CT abdomen. Axial slice 205/305. soft-tissue window (W 400 / L 40). scan has 15 labeled organs (a whole-scan count: organs this slice does not pass through have no box)
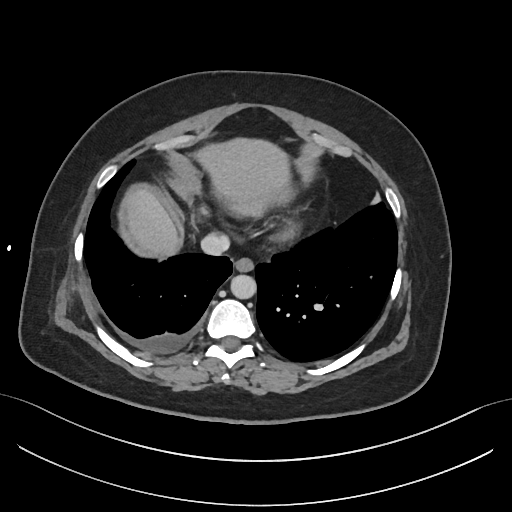
Box edges are left/top/right/bottom in pixels.
Organ bounding boxes:
- esophagus: left=233, top=257, right=253, bottom=271
- liver: left=126, top=139, right=288, bottom=254
- aorta: left=230, top=275, right=255, bottom=298
- inferior vena cava: left=200, top=234, right=229, bottom=256